Abdominal MR. axial plane, index 15. 1st–99th percentile window. scan has 13 labeled organs (that count is for the whole scan; organs this slice misses have no box)
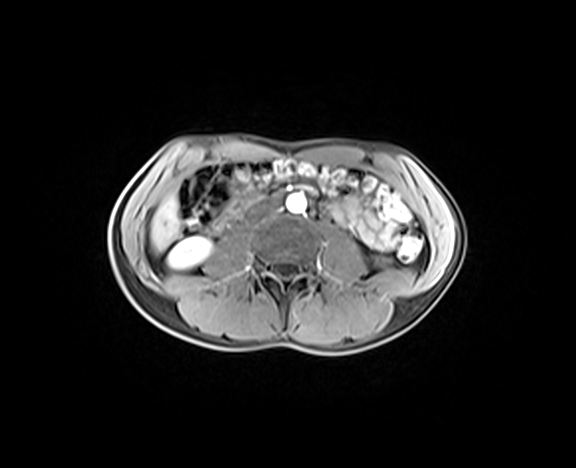 Boxes: x1 y1 x2 y2 (pixel coords, space-separated). The annotated organs in this slice are: right kidney at 168 237 211 268, liver at 150 194 180 251, aorta at 286 194 306 213, inferior vena cava at 248 199 281 216.